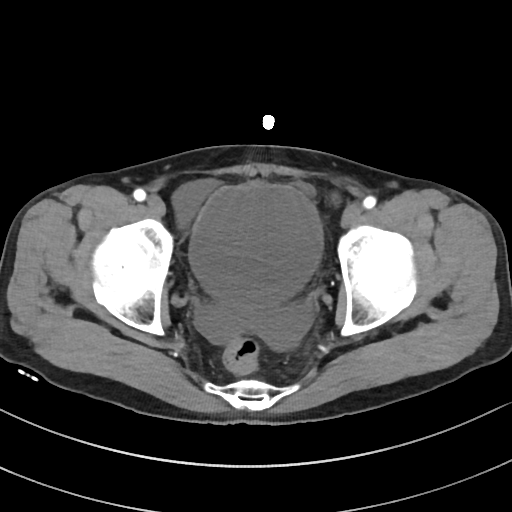
CT, abdomen/pelvis. axial view. 512x512 px
Box edges are left/top/right/bottom in pixels.
bladder: left=189, top=183, right=322, bottom=312